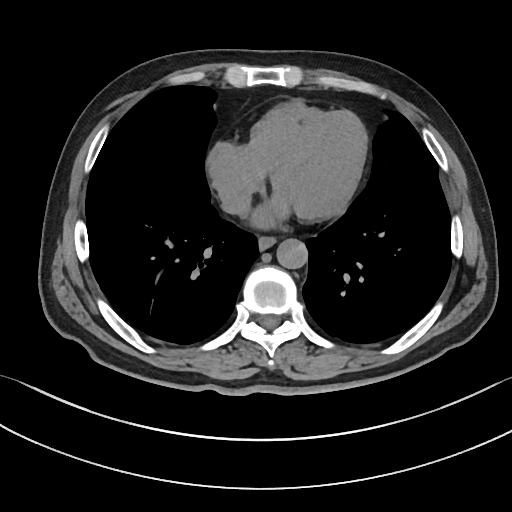
CT of the abdomen reaching into the lower chest, slice just above the liver and spleen · Axial slice 223/231
No part of the heart or lungs is labeled in this dataset, so neither has a box here.
Bounding boxes as [x1, y1, x2, y2] in pixel coordinates.
Organ bounding boxes:
- esophagus: [258, 236, 275, 249]
- aorta: [276, 238, 307, 268]
- inferior vena cava: [221, 189, 250, 215]